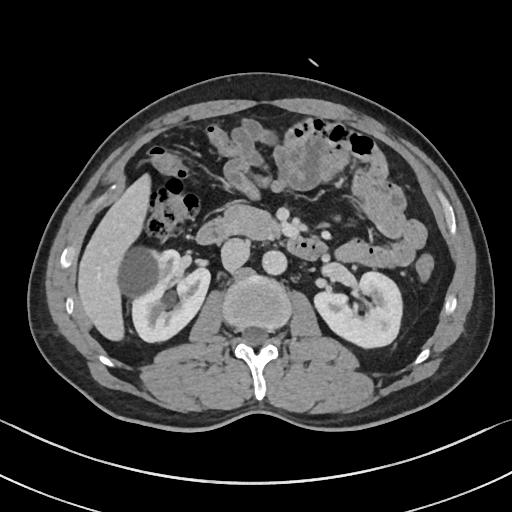 CT abdomen · axial view · soft-tissue window (W 400 / L 40) · SOMATOM Force scanner · scan has 15 labeled organs (a whole-scan count: organs this slice does not pass through have no box)
{"organs":{"right kidney":[122,250,210,342],"left kidney":[314,271,401,348],"liver":[76,171,153,343],"aorta":[262,250,287,276],"inferior vena cava":[221,238,249,270],"pancreas":[217,203,280,240],"duodenum":[195,220,329,260]}}